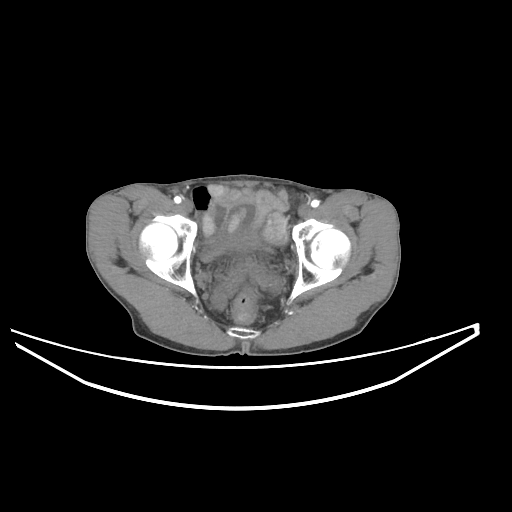 Computed tomography, abdomen — Axial slice 20/131 — abdomen soft-tissue window — acquired on Aquilion ONE
<organs><organ name="bladder" x1="201" y1="234" x2="258" y2="261"/></organs>